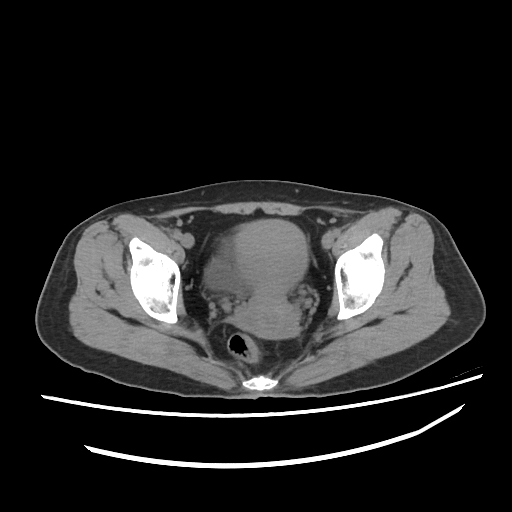

Computed tomography, abdomen. axial view. abdomen soft-tissue window. Aquilion ONE scanner
Organ boxes in pixel coordinates; each row gives the top-left (x1, y1) and bottom-right (x2, y2) corners.
| organ | x1 | y1 | x2 | y2 |
|---|---|---|---|---|
| bladder | 203 | 232 | 245 | 298 |
| prostate/uterus | 233 | 218 | 307 | 337 |